Computed tomography, abdomen — axial plane, index 209 — 512x512 px
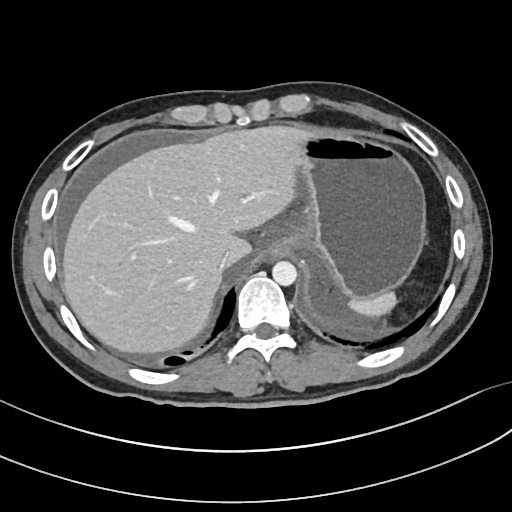
<organs><organ name="spleen" x1="348" y1="291" x2="396" y2="317"/><organ name="liver" x1="62" y1="126" x2="305" y2="353"/><organ name="stomach" x1="267" y1="132" x2="425" y2="300"/><organ name="aorta" x1="272" y1="261" x2="297" y2="285"/><organ name="inferior vena cava" x1="220" y1="252" x2="229" y2="271"/></organs>